CT, abdomen/pelvis · axial view · abdomen soft-tissue window · 15 organs annotated in this scan (that count is for the whole scan; organs this slice misses have no box)
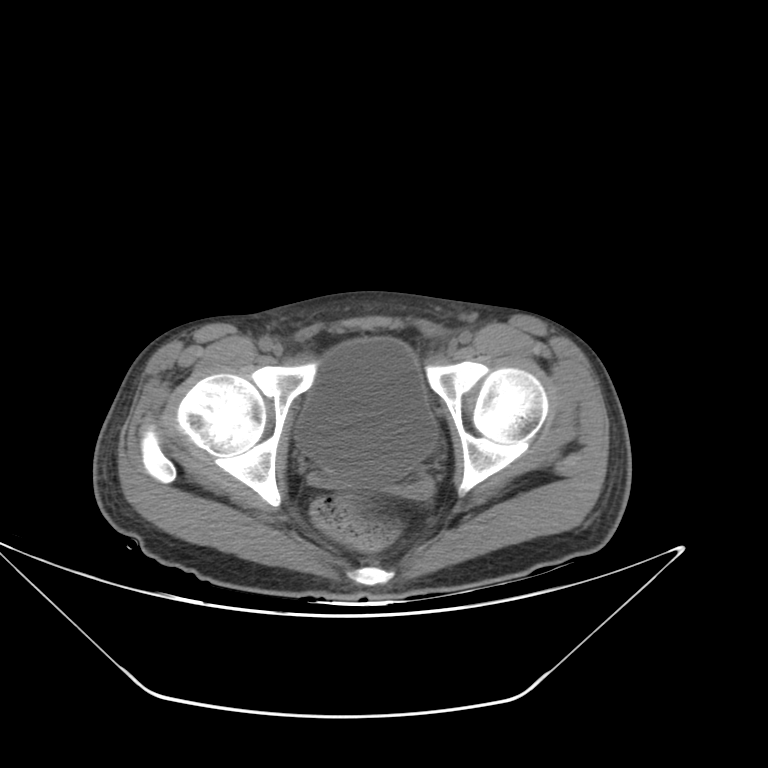

One row per box, in pixels: columns x1 and y1 give the top-left corner, x2 and y2 the bottom-right.
| organ | x1 | y1 | x2 | y2 |
|---|---|---|---|---|
| bladder | 295 | 338 | 436 | 485 |